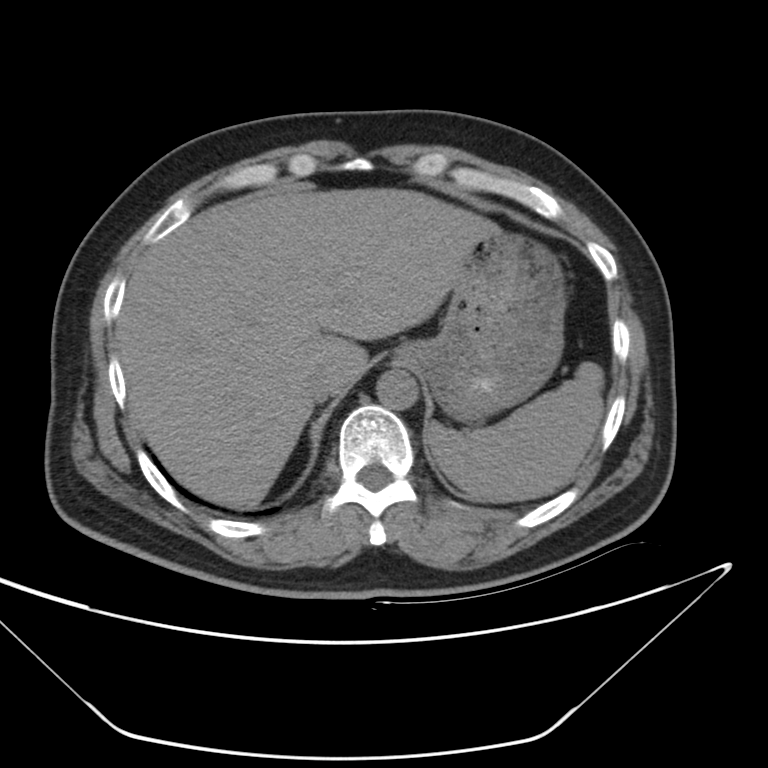 Computed tomography, abdomen; axial view; soft-tissue window
Box edges are left/top/right/bottom in pixels.
spleen: left=424, top=362, right=603, bottom=501
liver: left=117, top=187, right=497, bottom=507
stomach: left=397, top=227, right=565, bottom=427
aorta: left=377, top=371, right=419, bottom=410
inferior vena cava: left=301, top=367, right=338, bottom=405